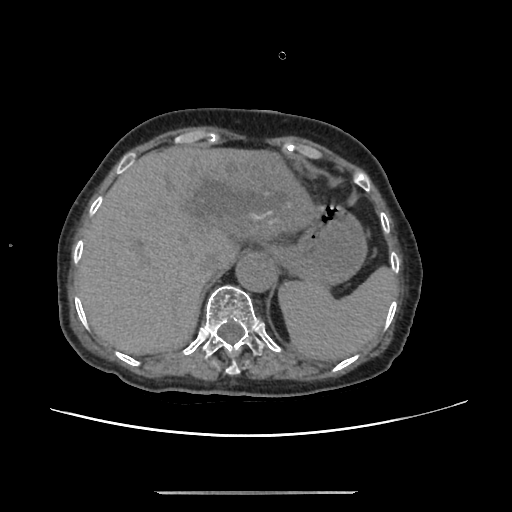
CT, abdomen/pelvis; axial view; soft-tissue window (W 400 / L 40); 512x512 px
Each box given as x1,y1,x2,y2. 5 labeled organs on this slice — spleen at x1=278, y1=267, x2=396, y2=361; liver at x1=78, y1=146, x2=317, y2=354; inferior vena cava at x1=201, y1=251, x2=222, y2=273; stomach at x1=264, y1=205, x2=366, y2=287; aorta at x1=236, y1=254, x2=277, y2=292.